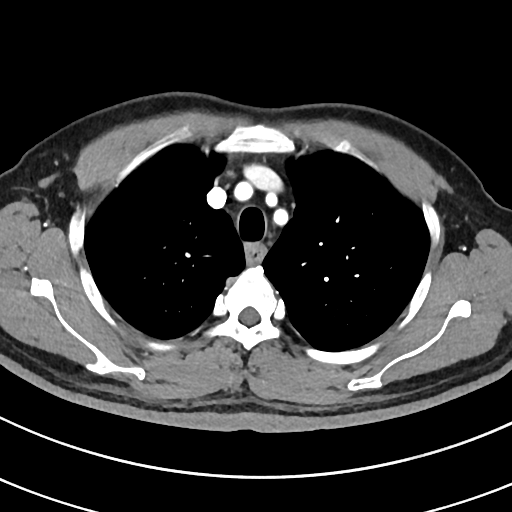
Abdominal CT reaching into the chest; this slice is in the chest. axial view. soft-tissue window, W/L 400/40. 512x512 px. acquired on SOMATOM Force. scan has 15 labeled organs (a whole-scan count: organs this slice does not pass through have no box)
On a slice this high in the chest, this dataset labels only the esophagus and the aorta, and each is boxed only where it is labeled; the heart, lungs and other chest structures are not labeled.
<organs><organ name="esophagus" x1="243" y1="243" x2="265" y2="262"/></organs>